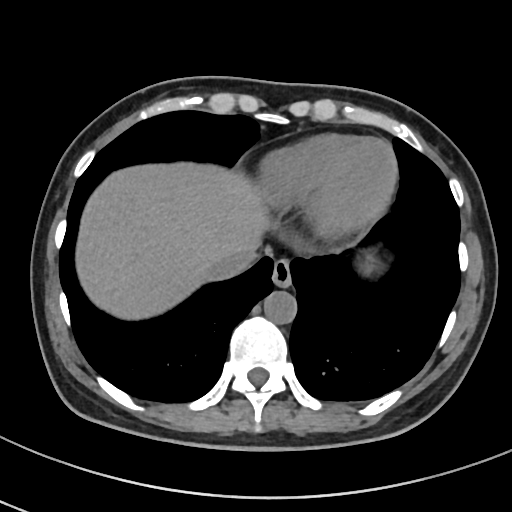
CT, abdomen/pelvis. axial plane, index 202. SOMATOM Force scanner
Box edges are left/top/right/bottom in pixels.
Organ bounding boxes:
- liver: left=77, top=163, right=269, bottom=320
- aorta: left=263, top=290, right=295, bottom=323
- esophagus: left=271, top=259, right=292, bottom=286
- stomach: left=363, top=256, right=377, bottom=270
- inferior vena cava: left=209, top=252, right=252, bottom=281